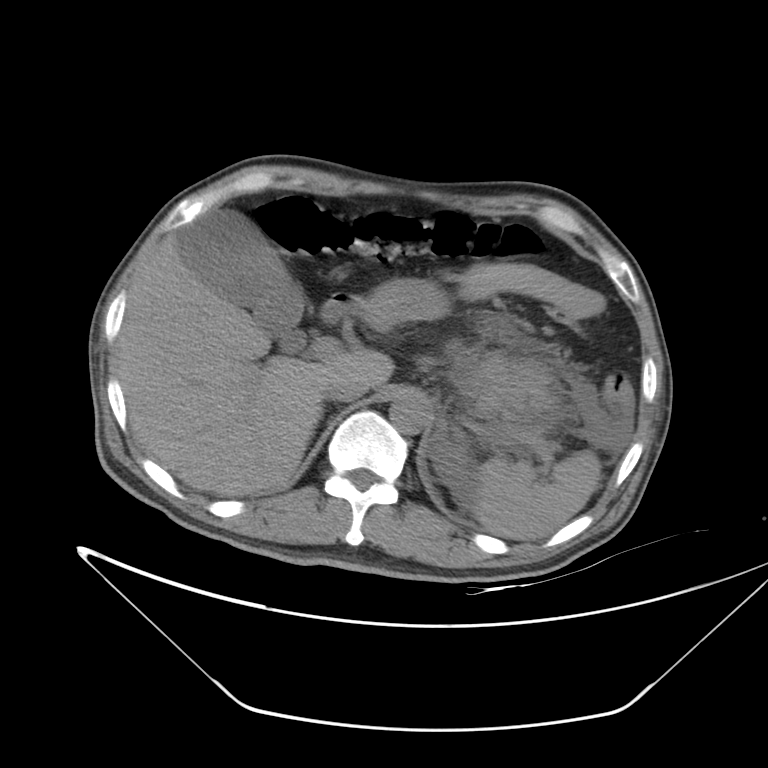

Computed tomography, abdomen — Axial slice 83/107 — soft-tissue window — 47-year-old male patient
<organs><organ name="aorta" x1="389" y1="394" x2="432" y2="433"/><organ name="inferior vena cava" x1="322" y1="379" x2="366" y2="401"/><organ name="pancreas" x1="455" y1="350" x2="553" y2="422"/><organ name="stomach" x1="351" y1="279" x2="448" y2="329"/><organ name="liver" x1="115" y1="231" x2="394" y2="496"/><organ name="spleen" x1="473" y1="452" x2="601" y2="540"/><organ name="gall bladder" x1="178" y1="209" x2="303" y2="352"/><organ name="duodenum" x1="320" y1="294" x2="353" y2="322"/></organs>